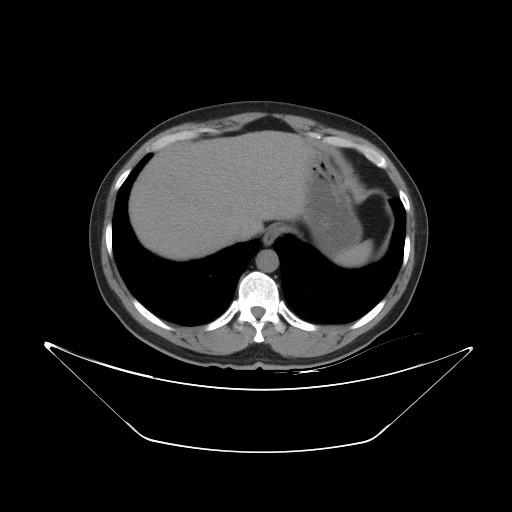 Computed tomography, abdomen. Axial slice 79/83. Brilliance16 scanner. 15 organs annotated in this scan (a whole-scan count: organs this slice does not pass through have no box)
Bounding boxes as [x1, y1, x2, y2] in pixel coordinates. The annotated organs in this slice are: spleen at [333, 240, 371, 267], esophagus at [263, 226, 280, 244], liver at [129, 130, 313, 260], stomach at [300, 150, 361, 256], aorta at [256, 249, 279, 271], inferior vena cava at [229, 230, 249, 240].